Abdominal CT · axial view · 512x512 px · scan has 15 labeled organs (a whole-scan count: organs this slice does not pass through have no box)
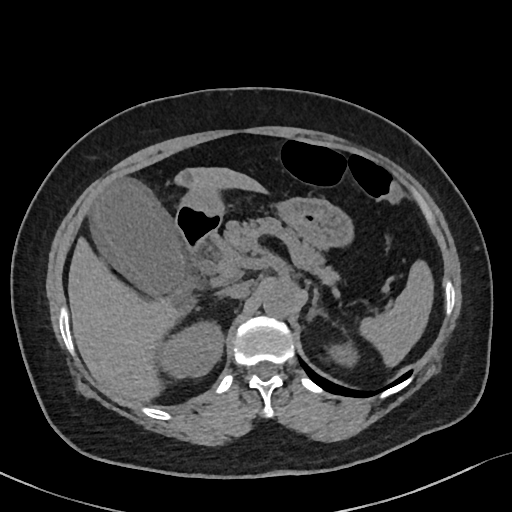
Boxes are (x1, y1, x2, y2) in pixels.
Organ bounding boxes:
- spleen: (359, 260, 433, 366)
- right kidney: (158, 321, 222, 378)
- left kidney: (328, 341, 358, 366)
- gall bladder: (92, 181, 191, 293)
- liver: (68, 167, 266, 402)
- stomach: (179, 187, 353, 248)
- aorta: (263, 280, 296, 317)
- inferior vena cava: (220, 282, 250, 297)
- pancreas: (209, 217, 339, 283)
- left adrenal gland: (307, 289, 318, 320)
- duodenum: (174, 207, 220, 255)